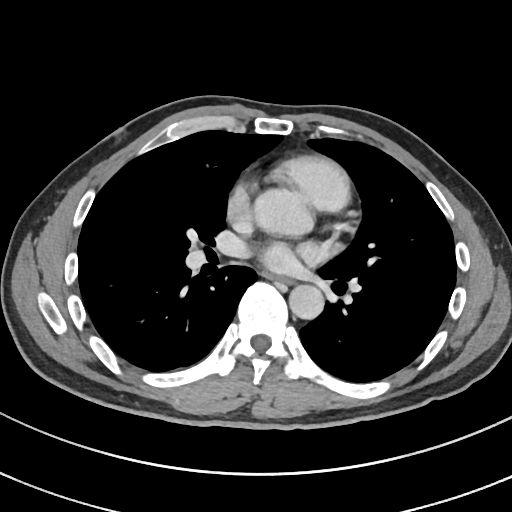 Abdominal CT reaching into the chest; this slice is in the chest; axial view; soft-tissue window; acquired on SOMATOM Force
On a slice this high in the chest, this dataset labels only the esophagus and the aorta, and each is boxed only where it is labeled; the heart, lungs and other chest structures are not labeled.
{"organs":{"esophagus":[276,277,289,282],"aorta":[289,284,323,319]}}